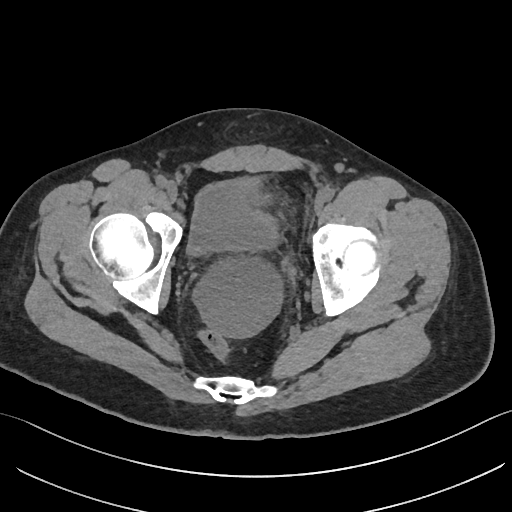
Computed tomography, abdomen — axial plane, index 30 — soft-tissue window
{"organs":{"bladder":[188,177,277,254]}}